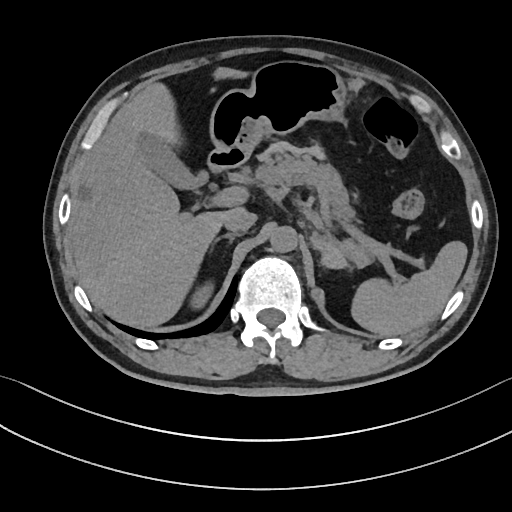 CT, abdomen/pelvis — axial view — 512x512 px
Bounding boxes in pixels, one row per box: x1, y1 is the top-left corner and x2, y2 the bottom-right.
| organ | x1 | y1 | x2 | y2 |
|---|---|---|---|---|
| right adrenal gland | 213 | 233 | 239 | 243 |
| inferior vena cava | 224 | 208 | 256 | 232 |
| left adrenal gland | 322 | 260 | 332 | 269 |
| right kidney | 193 | 287 | 213 | 308 |
| duodenum | 209 | 149 | 245 | 168 |
| aorta | 269 | 226 | 297 | 253 |
| spleen | 349 | 240 | 466 | 335 |
| liver | 72 | 67 | 247 | 327 |
| stomach | 210 | 61 | 348 | 157 |
| pancreas | 256 | 154 | 349 | 217 |
| gall bladder | 136 | 135 | 209 | 186 |